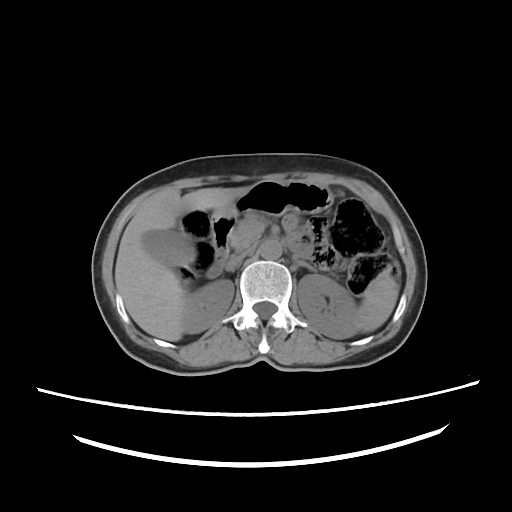

CT abdomen — Axial slice 58/82 — scan has 15 labeled organs (a whole-scan count: organs this slice does not pass through have no box)
Bounding boxes as [x1, y1, x2, y2] in pixel coordinates.
spleen: [358, 279, 398, 332]
right kidney: [181, 279, 234, 333]
left kidney: [297, 274, 358, 338]
gall bladder: [142, 230, 183, 265]
liver: [115, 187, 247, 341]
stomach: [211, 181, 332, 223]
aorta: [259, 240, 281, 259]
inferior vena cava: [225, 251, 250, 271]
pancreas: [230, 215, 264, 250]
left adrenal gland: [295, 261, 315, 272]
duodenum: [206, 217, 235, 278]